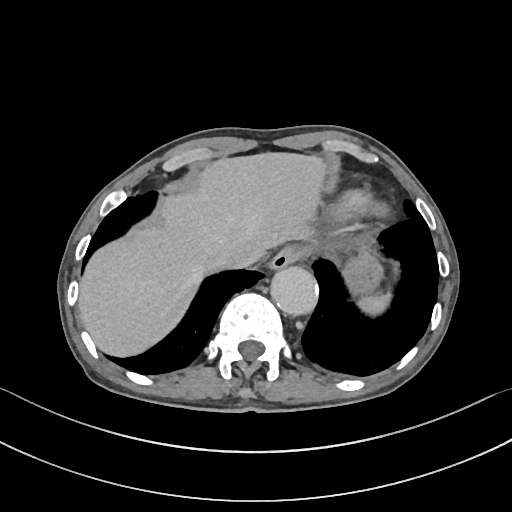 Computed tomography, abdomen; axial view; 512x512 px; acquired on SOMATOM Force
Boxes: x1 y1 x2 y2 (pixel coords, space-separated). Labeled organs on this slice: spleen at 357 293 390 314, esophagus at 270 245 307 268, liver at 77 152 327 357, stomach at 342 253 383 298, aorta at 269 265 317 314, inferior vena cava at 212 249 251 271.